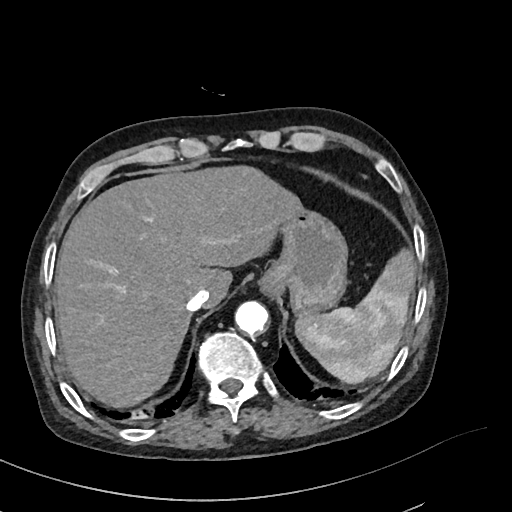
Computed tomography, abdomen. axial view. soft-tissue window. acquired on SOMATOM Force
{"organs":{"spleen":[295,248,416,383],"esophagus":[258,265,281,299],"liver":[54,165,301,408],"stomach":[272,206,347,315],"aorta":[234,301,268,334],"inferior vena cava":[186,289,209,311]}}